CT of the abdomen extending into the chest, slice through the chest. axial view. acquired on Aquilion ONE
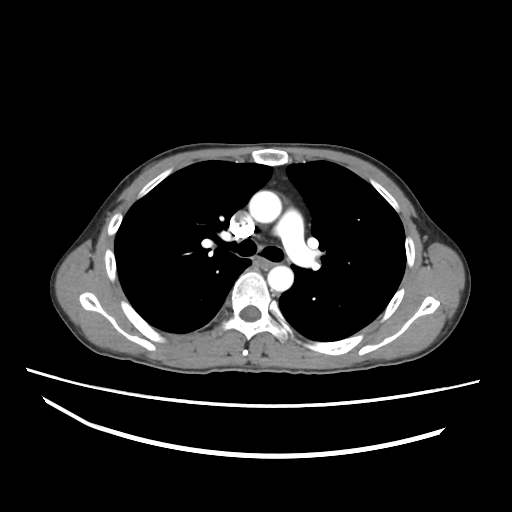
At this level of the chest this dataset labels only the esophagus and the aorta, and each is boxed only where it is labeled; the heart and lungs are never labeled.
Each box given as x1,y1,x2,y2.
Organ bounding boxes:
- esophagus: x1=259, y1=260, x2=269, y2=266
- aorta: x1=249, y1=191, x2=281, y2=223
- aorta: x1=267, y1=265, x2=293, y2=291